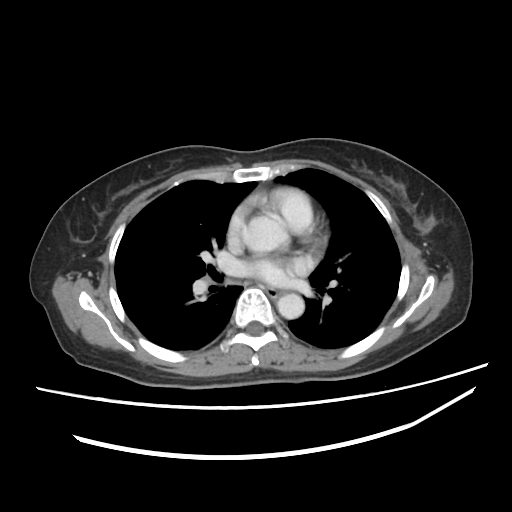
CT of the abdomen extending into the chest, slice through the chest; axial view; 54-year-old female patient
On a slice this high in the chest, this dataset labels only the esophagus and the aorta, and each is boxed only where it is labeled; the heart, lungs and other chest structures are not labeled.
Bounding boxes in pixels, one row per box: x1, y1 is the top-left corner and x2, y2 the bottom-right.
| organ | x1 | y1 | x2 | y2 |
|---|---|---|---|---|
| esophagus | 266 | 288 | 281 | 296 |
| aorta | 244 | 213 | 287 | 253 |
| aorta | 277 | 293 | 304 | 319 |